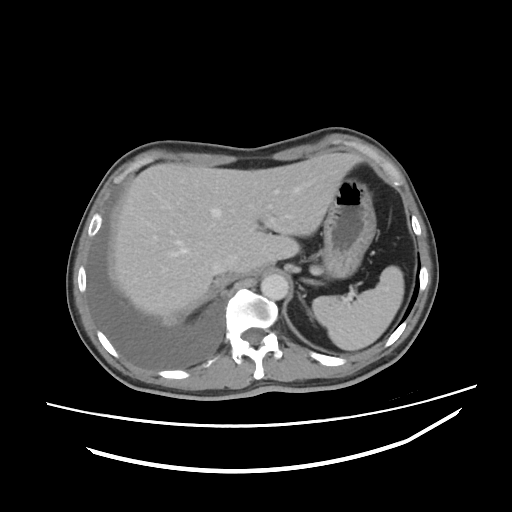 Computed tomography, abdomen · axial view · 512x512 px · 49-year-old male patient
One row per box, in pixels: columns x1 and y1 give the top-left corner, x2 and y2 the bottom-right.
| organ | x1 | y1 | x2 | y2 |
|---|---|---|---|---|
| spleen | 312 | 265 | 404 | 350 |
| liver | 113 | 153 | 361 | 317 |
| stomach | 321 | 178 | 376 | 278 |
| aorta | 261 | 274 | 288 | 300 |
| inferior vena cava | 211 | 254 | 236 | 273 |
| left adrenal gland | 301 | 296 | 310 | 314 |